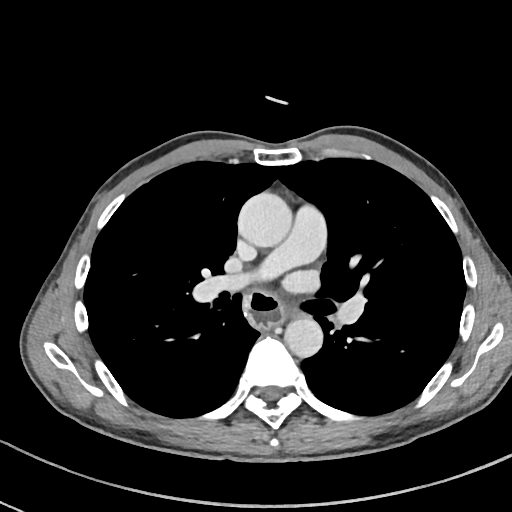 Abdominal CT reaching into the chest; this slice is in the chest. axial view
At this level of the chest this dataset labels only the esophagus and the aorta, and each is boxed only where it is labeled; the heart and lungs are never labeled. Bounding boxes as [x1, y1, x2, y2] in pixel coordinates. The annotated organs in this slice are: esophagus at [244, 291, 282, 329], aorta at [238, 192, 292, 247], aorta at [284, 317, 323, 358].